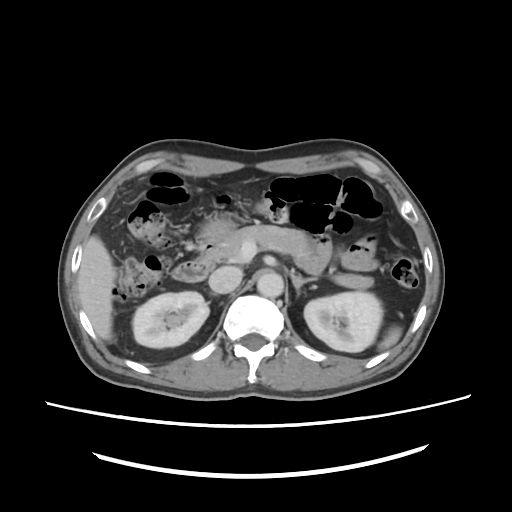

Computed tomography, abdomen — axial view — soft-tissue window — 45-year-old male patient
Boxes: x1:y1:x2:y2 in pixels.
Organ bounding boxes:
- spleen: 378:326:400:352
- right kidney: 130:291:210:348
- left kidney: 303:292:383:352
- liver: 76:236:116:341
- stomach: 198:219:233:247
- aorta: 257:272:283:296
- inferior vena cava: 209:267:241:293
- pancreas: 216:224:373:289
- right adrenal gland: 211:292:216:294
- left adrenal gland: 290:270:316:294
- duodenum: 172:245:218:282